Computed tomography, abdomen · axial view · W/L 400/40 HU · 512x512 px
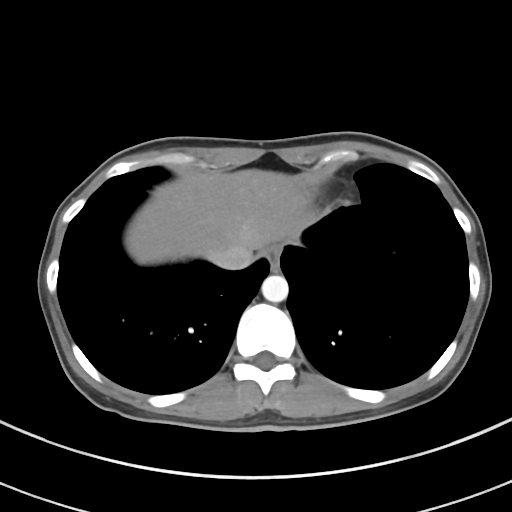

Each box given as x1,y1,x2,y2.
aorta: x1=261, y1=275, x2=288, y2=302
esophagus: x1=263, y1=244, x2=282, y2=270
liver: x1=125, y1=169, x2=308, y2=264
inferior vena cava: x1=211, y1=243, x2=253, y2=269